Computed tomography, abdomen — axial view — soft-tissue window — 512x512 px — SOMATOM Force scanner
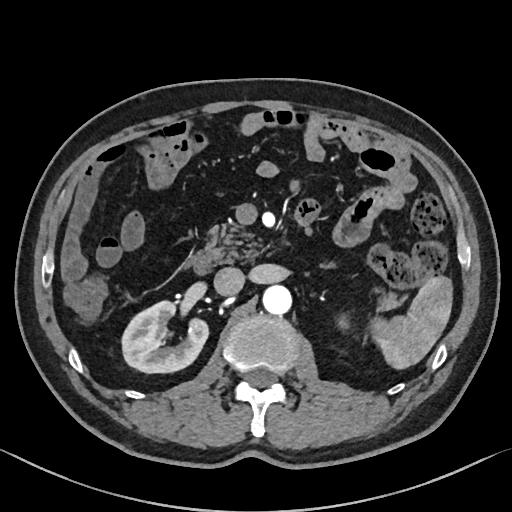

{"organs":{"pancreas":[202,222,408,309],"duodenum":[190,248,216,273],"right kidney":[123,301,209,373],"inferior vena cava":[213,267,244,296],"aorta":[262,285,292,316],"spleen":[372,274,453,370],"left adrenal gland":[319,262,334,269]}}